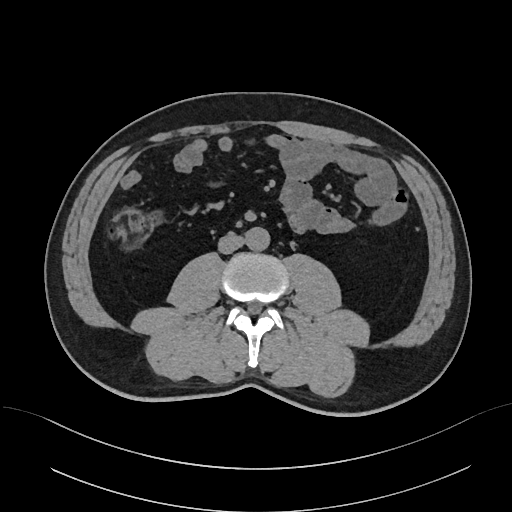
CT, abdomen/pelvis; axial view; W/L 400/40 HU; scan has 15 labeled organs (a whole-scan count: organs this slice does not pass through have no box)
<organs><organ name="inferior vena cava" x1="218" y1="234" x2="244" y2="253"/><organ name="aorta" x1="245" y1="227" x2="269" y2="250"/></organs>